Computed tomography, abdomen · axial view · abdomen soft-tissue window · 512x512 px · SOMATOM Force scanner
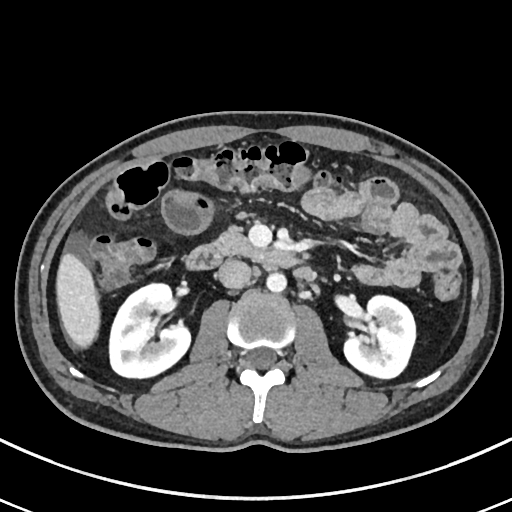 <organs><organ name="right kidney" x1="109" y1="283" x2="190" y2="377"/><organ name="left kidney" x1="343" y1="295" x2="415" y2="378"/><organ name="liver" x1="56" y1="253" x2="99" y2="347"/><organ name="aorta" x1="266" y1="272" x2="286" y2="292"/><organ name="inferior vena cava" x1="218" y1="260" x2="251" y2="288"/><organ name="pancreas" x1="214" y1="228" x2="252" y2="254"/><organ name="duodenum" x1="185" y1="244" x2="301" y2="270"/></organs>